Computed tomography, abdomen. axial plane, index 107
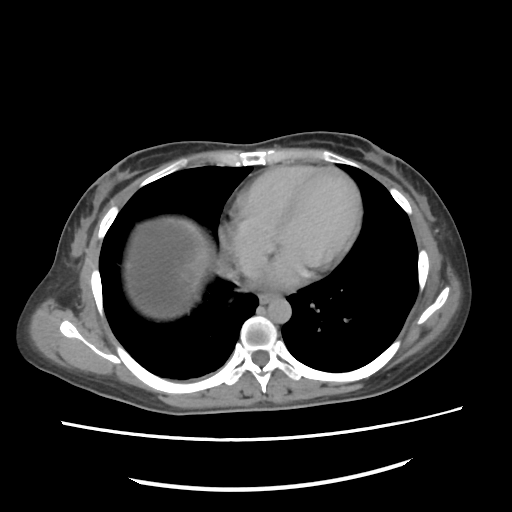
{"organs":{"inferior vena cava":[240,252,267,277],"esophagus":[260,292,281,304],"aorta":[266,298,290,322],"liver":[183,177,258,279]}}